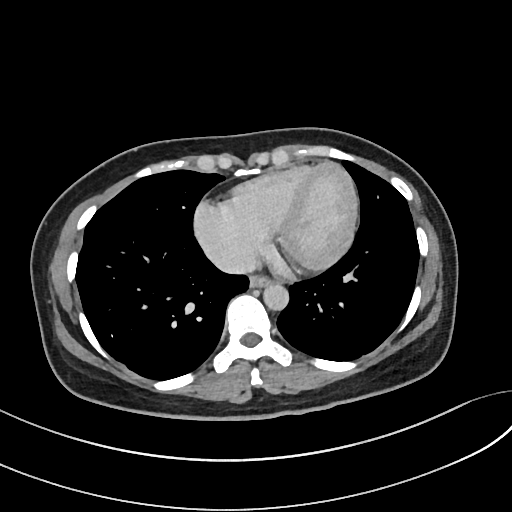
Abdominal CT; this slice is in the lower chest, just above the liver. axial view
Of the structures in the chest, this dataset labels only the esophagus, the aorta and the inferior vena cava; the heart and lungs have no label.
Coordinates as <box>x1,y1,x2,y2</box> in pixels.
esophagus: <box>249,275,270,287</box>
aorta: <box>263,283,289,310</box>
inferior vena cava: <box>212,248,256,273</box>